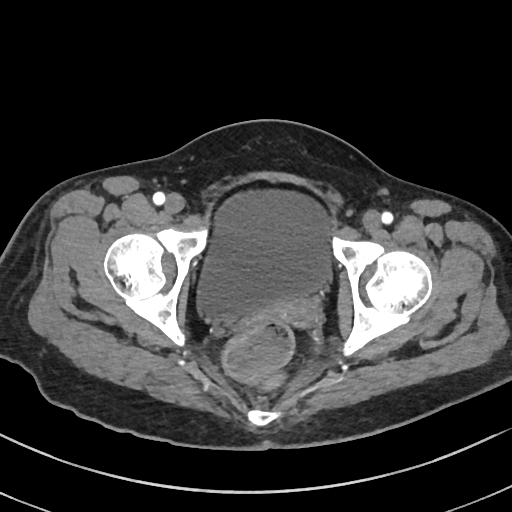 Computed tomography, abdomen — axial view — soft-tissue window (W 400 / L 40) — 15 organs annotated in this scan (that count is for the whole scan; organs this slice misses have no box)
<organs><organ name="prostate/uterus" x1="274" y1="293" x2="322" y2="328"/><organ name="bladder" x1="194" y1="187" x2="328" y2="315"/></organs>